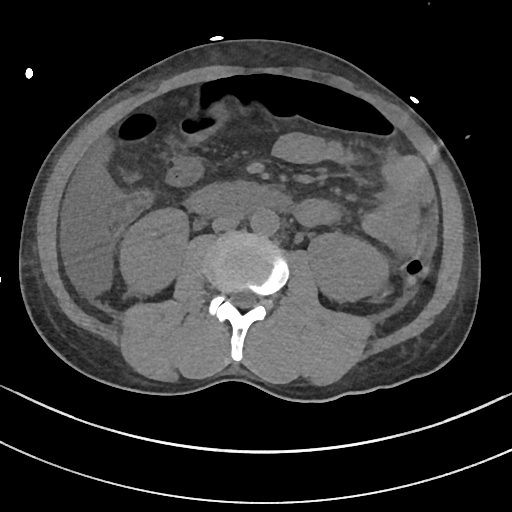

Computed tomography, abdomen. axial view. soft-tissue window (W 400 / L 40)
Coordinates as <box>x1,y1,x2,y2</box> in pixels. 6 labeled organs on this slice — right kidney at <box>121,209,187,291</box>; left kidney at <box>308,233,387,299</box>; liver at <box>84,142,109,185</box>; aorta at <box>250,210,278,234</box>; inferior vena cava at <box>212,215,239,230</box>; duodenum at <box>184,180,294,216</box>.